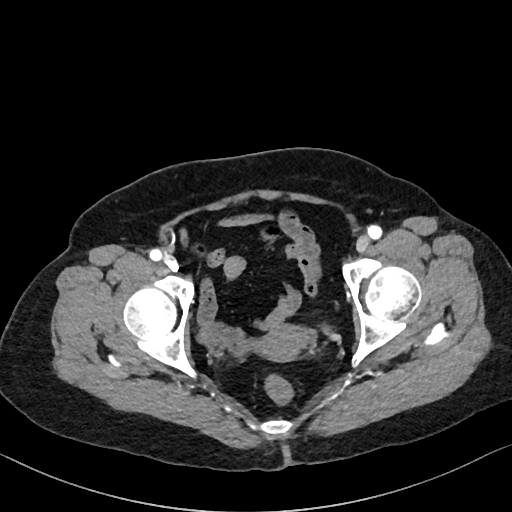
Abdominal CT. axial view
Each box given as x1,y1,x2,y2. The annotated organs in this slice are: prostate/uterus at x1=254, y1=324, x2=312, y2=362.